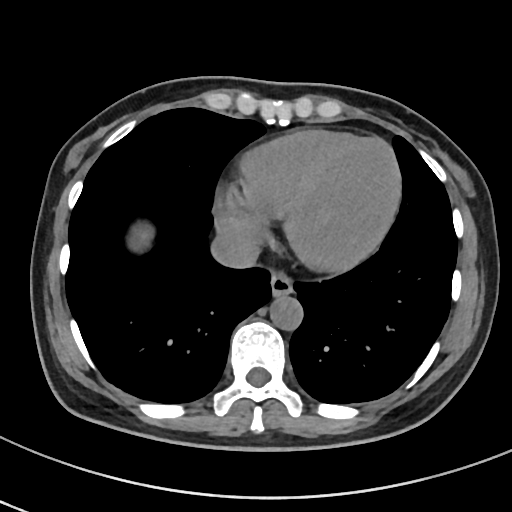 CT of the abdomen reaching into the lower chest, slice just above the liver and spleen — axial plane, index 210 — 512x512 px — SOMATOM Force scanner
Of the structures in the chest, this dataset labels only the esophagus, the aorta and the inferior vena cava; the heart and lungs have no label.
Coordinates as <box>x1,y1,x2,y2</box> in pixels.
esophagus: <box>270,275,294,298</box>
aorta: <box>271,296,303,331</box>
inferior vena cava: <box>213,229,260,267</box>